Abdominal CT reaching into the chest; this slice is in the chest · axial view · 54-year-old female patient
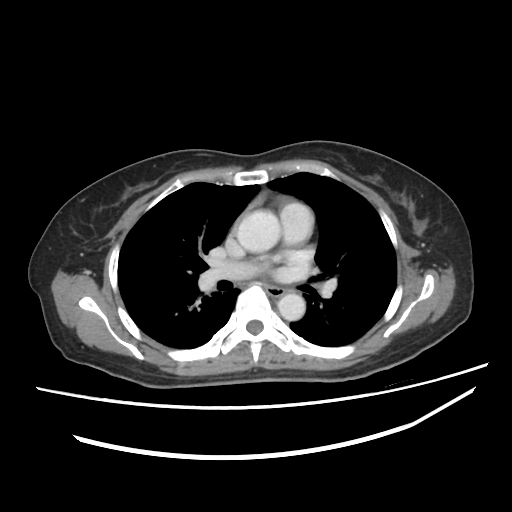

At this level of the chest this dataset labels only the esophagus and the aorta, and each is boxed only where it is labeled; the heart and lungs are never labeled. Boxes: x1:y1:x2:y2 in pixels. 2 labeled organs on this slice — aorta at 237:210:280:252; aorta at 277:293:305:320; esophagus at 267:287:285:296.